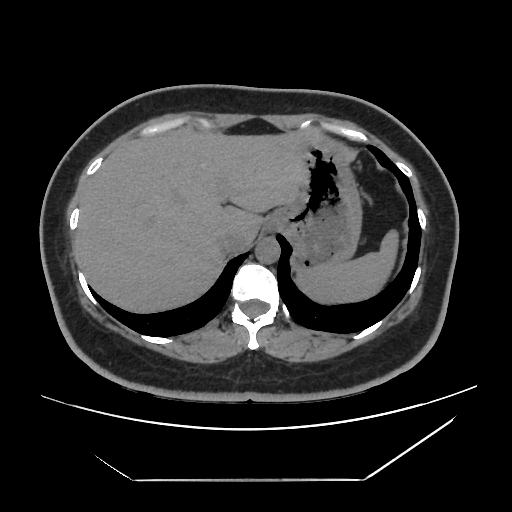
CT abdomen — Axial slice 275/345 — 512x512 px
{"organs":{"spleen":[296,230,398,303],"liver":[75,129,322,312],"stomach":[266,136,361,269],"aorta":[255,237,279,263],"inferior vena cava":[220,230,253,252]}}